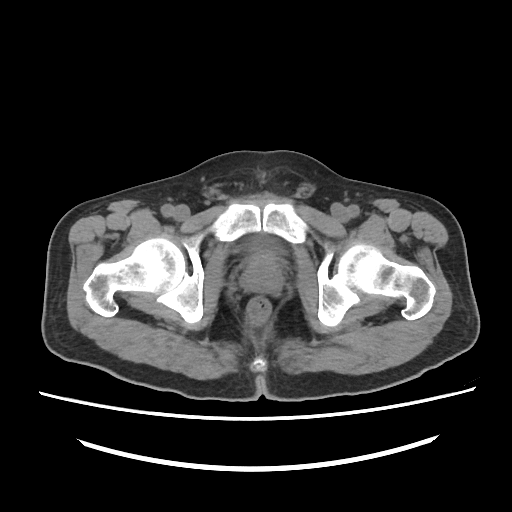
Abdominal CT. axial view. 512x512 px
Coordinates as <box>x1,y1,x2,y2</box> in pixels.
bladder: <box>245,235,280,252</box>
prostate/uterus: <box>241,254,282,293</box>